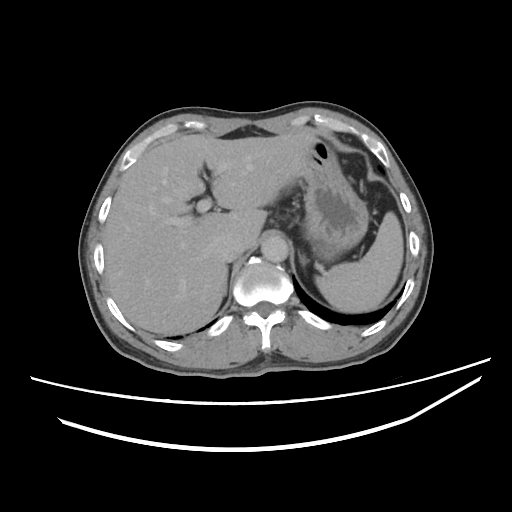

CT, abdomen/pelvis · Axial slice 87/104 · 58-year-old male patient · Aquilion ONE scanner · scan has 15 labeled organs (that count is for the whole scan; organs this slice misses have no box)
Boxes: x1:y1:x2:y2 in pixels. Labeled organs on this slice: spleen at 315:211:403:313, right adrenal gland at 221:264:228:297, left adrenal gland at 298:250:312:282, liver at 102:133:319:334, aorta at 262:236:288:261, inferior vena cava at 212:234:242:262, stomach at 300:139:369:258.